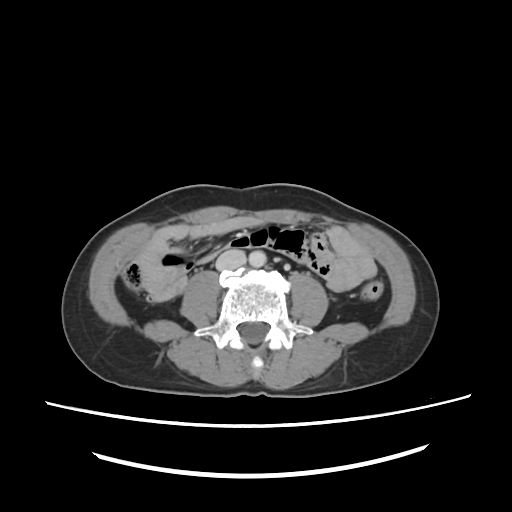

CT, abdomen/pelvis — axial view — soft-tissue window (W 400 / L 40) — 512x512 px
{"organs":{"aorta":[249,251,266,266],"inferior vena cava":[217,249,246,271]}}